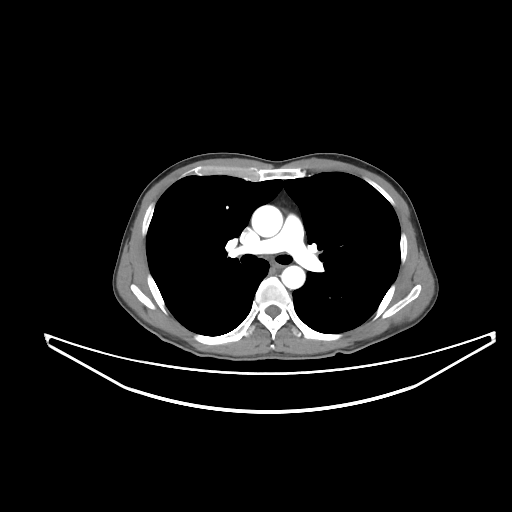 CT of the abdomen extending into the chest, slice through the chest — axial view — soft-tissue window, W/L 400/40 — 512x512 px — 52-year-old male patient — Aquilion ONE scanner
At this level of the chest this dataset labels only the esophagus and the aorta, and each is boxed only where it is labeled; the heart and lungs are never labeled.
Boxes are (x1, y1, x2, y2) in pixels.
esophagus: (270, 261, 282, 269)
aorta: (251, 205, 282, 237)
aorta: (281, 265, 305, 288)